CT of the abdomen extending into the chest, slice through the chest · Axial slice 112/132 · soft-tissue window, W/L 400/40
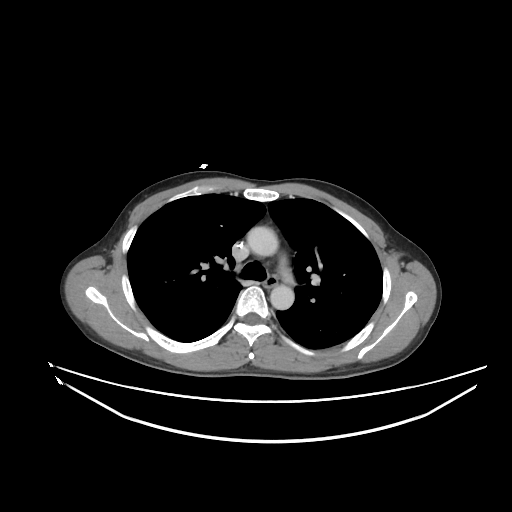 On a slice this high in the chest, this dataset labels only the esophagus and the aorta, and each is boxed only where it is labeled; the heart, lungs and other chest structures are not labeled.
{"organs":{"esophagus":[264,276,278,287],"aorta":[[247,226,278,256],[270,285,294,309]]}}